CT abdomen; Axial slice 279/353; soft-tissue window (W 400 / L 40); acquired on SOMATOM Force
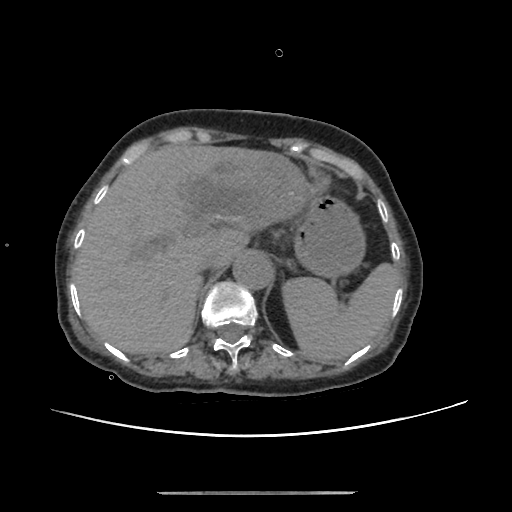 <organs><organ name="aorta" x1="233" y1="253" x2="273" y2="289"/><organ name="stomach" x1="294" y1="195" x2="365" y2="278"/><organ name="spleen" x1="282" y1="263" x2="400" y2="362"/><organ name="liver" x1="73" y1="144" x2="316" y2="353"/><organ name="inferior vena cava" x1="197" y1="252" x2="219" y2="273"/></organs>